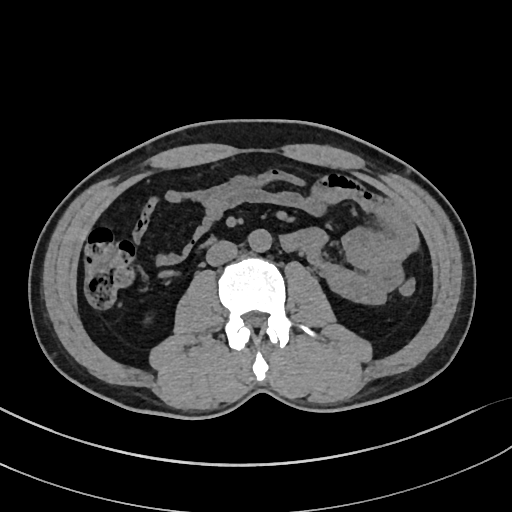

Computed tomography, abdomen — axial view — soft-tissue window (W 400 / L 40) — 512x512 px
<organs><organ name="aorta" x1="248" y1="229" x2="271" y2="253"/><organ name="inferior vena cava" x1="206" y1="241" x2="237" y2="266"/></organs>